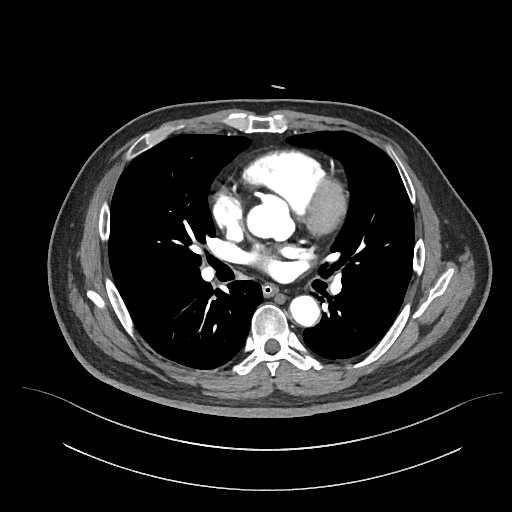
Abdominal CT reaching into the chest; this slice is in the chest. axial view. SOMATOM Force scanner
On a slice this high in the chest, this dataset labels only the esophagus and the aorta, and each is boxed only where it is labeled; the heart, lungs and other chest structures are not labeled.
Box edges are left/top/right/bottom in pixels.
esophagus: left=263, top=284, right=278, bottom=296
aorta: left=245, top=203, right=285, bottom=238
aorta: left=290, top=296, right=320, bottom=326